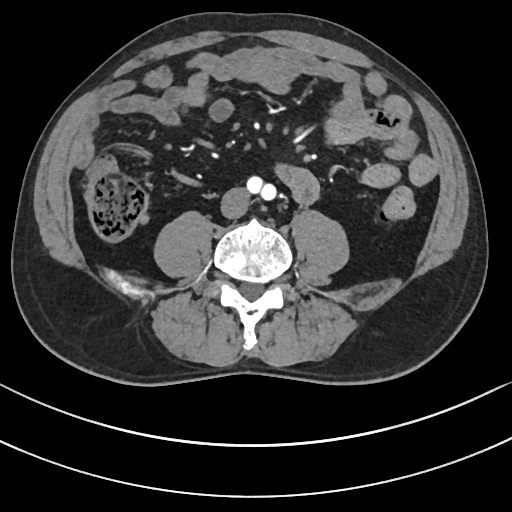

CT abdomen — Axial slice 91/280 — soft-tissue window (W 400 / L 40) — 512x512 px — scan has 15 labeled organs (that count is for the whole scan; organs this slice misses have no box)
Boxes are (x1, y1, x2, y2) in pixels.
Organ bounding boxes:
- inferior vena cava: (220, 187, 250, 218)